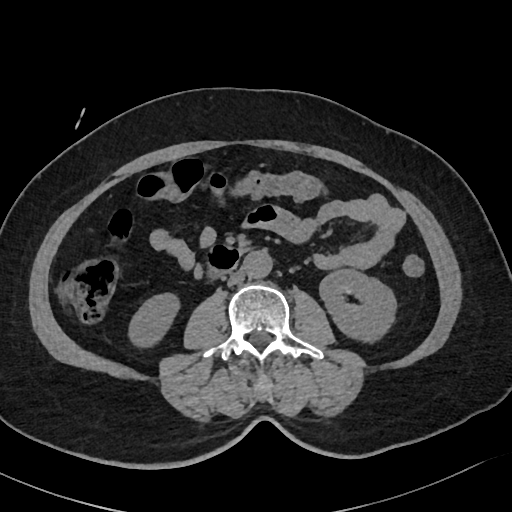

CT abdomen. axial view. 512x512 px
<organs><organ name="right kidney" x1="128" y1="293" x2="179" y2="347"/><organ name="left kidney" x1="319" y1="269" x2="396" y2="341"/><organ name="aorta" x1="243" y1="250" x2="272" y2="278"/><organ name="inferior vena cava" x1="228" y1="270" x2="244" y2="285"/><organ name="duodenum" x1="204" y1="244" x2="242" y2="275"/></organs>